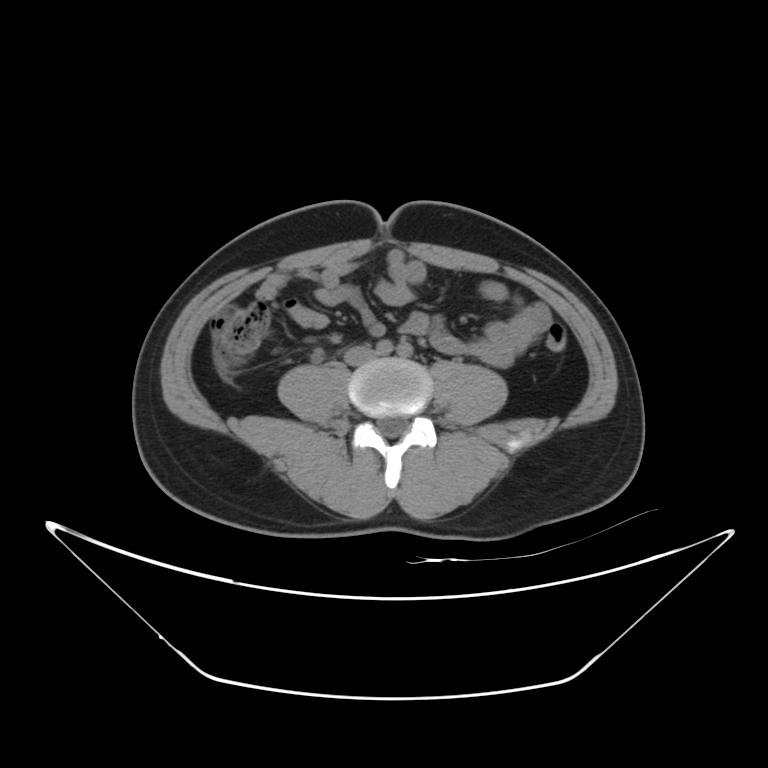
CT abdomen · axial view · W/L 400/40 HU · 25-year-old male patient
{"organs":{"inferior vena cava":[345,346,375,366]}}